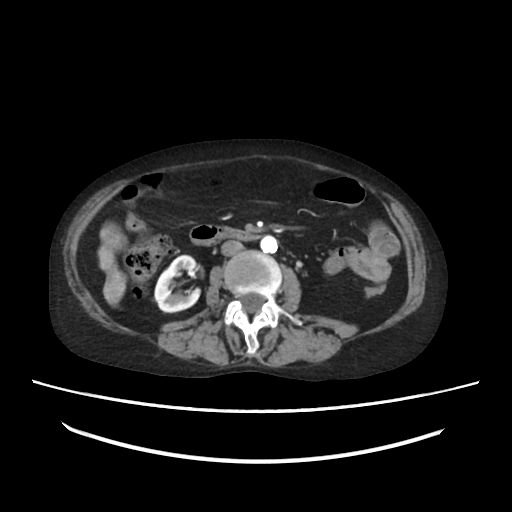 Abdominal CT — axial view — 61-year-old female patient — Aquilion ONE scanner
Boxes: x1 y1 x2 y2 (pixel coords, space-separated).
aorta: 260 236 277 253
duodenum: 190 223 260 245
inferior vena cava: 221 242 241 254
right kidney: 155 255 200 310
liver: 97 223 125 306